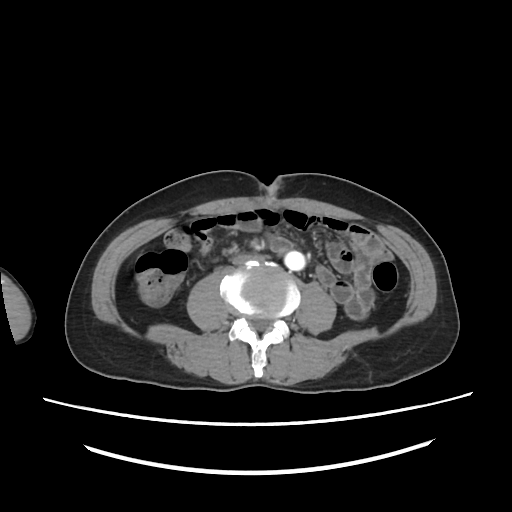
CT abdomen; axial view; soft-tissue window (W 400 / L 40); 61-year-old male patient
{"organs":{"aorta":[285,253,305,270],"inferior vena cava":[231,255,266,265]}}